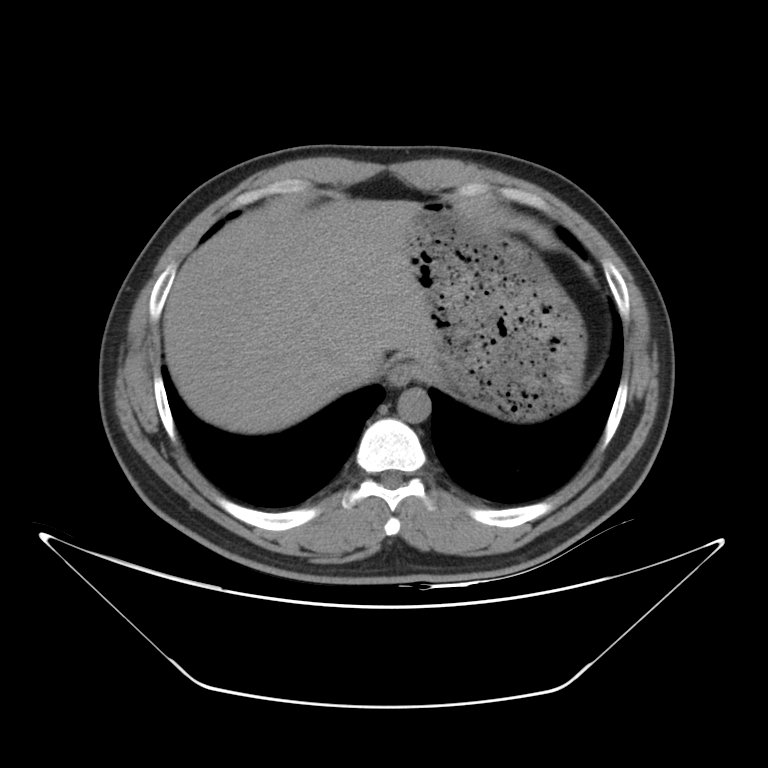

CT, abdomen/pelvis; axial view; abdomen soft-tissue window; scan has 15 labeled organs (counted over the whole 3D scan, not this slice; an organ is boxed only where this slice passes through it)
Bounding boxes in pixels, one row per box: x1, y1 is the top-left corner and x2, y2 the bottom-right.
| organ | x1 | y1 | x2 | y2 |
|---|---|---|---|---|
| inferior vena cava | 336 | 354 | 376 | 388 |
| esophagus | 387 | 363 | 416 | 386 |
| stomach | 405 | 201 | 586 | 420 |
| aorta | 398 | 389 | 430 | 422 |
| liver | 163 | 199 | 439 | 433 |